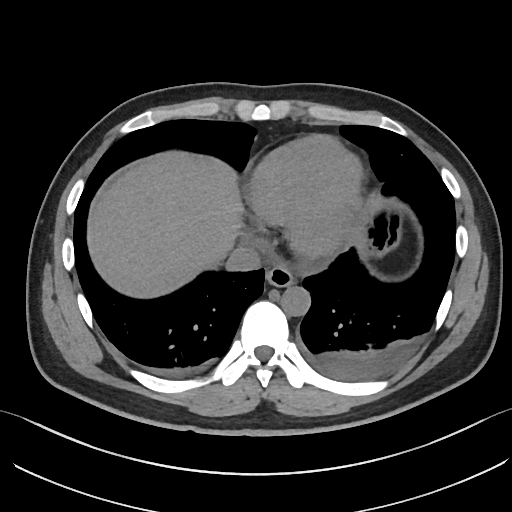

Computed tomography, abdomen — axial view — 512x512 px — SOMATOM Force scanner — scan has 15 labeled organs (that count is for the whole scan; organs this slice misses have no box)
<organs><organ name="esophagus" x1="265" y1="266" x2="294" y2="286"/><organ name="liver" x1="88" y1="151" x2="243" y2="297"/><organ name="stomach" x1="358" y1="207" x2="401" y2="259"/><organ name="aorta" x1="280" y1="286" x2="310" y2="316"/><organ name="inferior vena cava" x1="225" y1="245" x2="260" y2="271"/></organs>